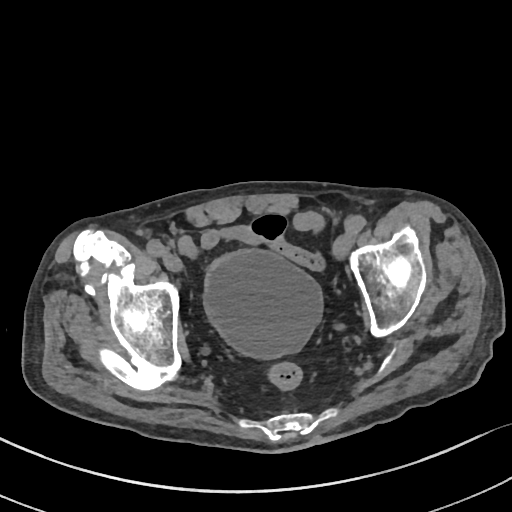
CT, abdomen/pelvis; axial plane, index 37; W/L 400/40 HU; 512x512 px
<organs><organ name="bladder" x1="202" y1="248" x2="324" y2="359"/></organs>